CT abdomen — axial plane, index 43 — 512x512 px
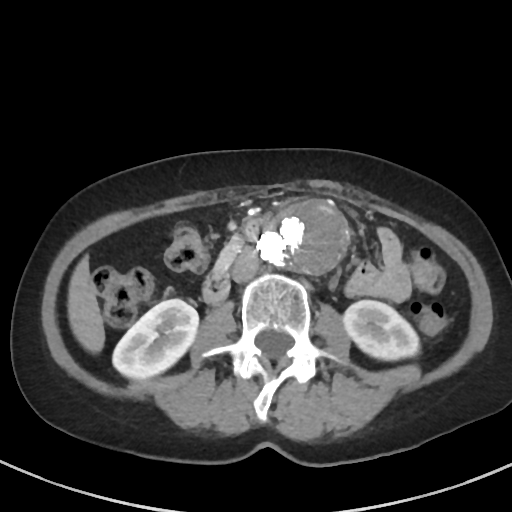
<organs><organ name="right kidney" x1="112" y1="299" x2="198" y2="379"/><organ name="left kidney" x1="343" y1="300" x2="419" y2="359"/><organ name="liver" x1="67" y1="255" x2="104" y2="353"/><organ name="aorta" x1="258" y1="201" x2="348" y2="272"/><organ name="inferior vena cava" x1="232" y1="248" x2="259" y2="282"/><organ name="pancreas" x1="215" y1="238" x2="242" y2="270"/><organ name="duodenum" x1="203" y1="222" x2="265" y2="303"/></organs>